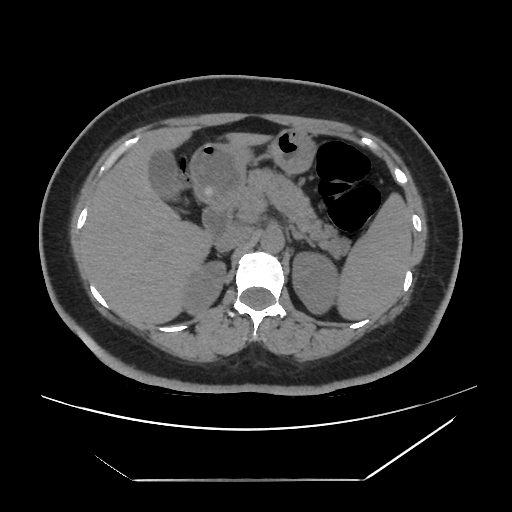 Abdominal CT · axial view · 512x512 px · acquired on SOMATOM Force · 15 organs annotated in this scan (a whole-scan count: organs this slice does not pass through have no box)
Each box given as x1,y1,x2,y2.
Organ bounding boxes:
- spleen: x1=335, y1=191, x2=411, y2=320
- right kidney: x1=185, y1=262, x2=225, y2=314
- left kidney: x1=292, y1=253, x2=337, y2=313
- gall bladder: x1=149, y1=151, x2=182, y2=202
- liver: x1=81, y1=126, x2=273, y2=325
- stomach: x1=189, y1=129, x2=316, y2=203
- aorta: x1=260, y1=229, x2=284, y2=253
- inferior vena cava: x1=215, y1=228, x2=250, y2=252
- pancreas: x1=233, y1=168, x2=350, y2=257
- right adrenal gland: x1=216, y1=252, x2=224, y2=257
- left adrenal gland: x1=292, y1=230, x2=315, y2=247
- duodenum: x1=202, y1=202, x2=232, y2=236